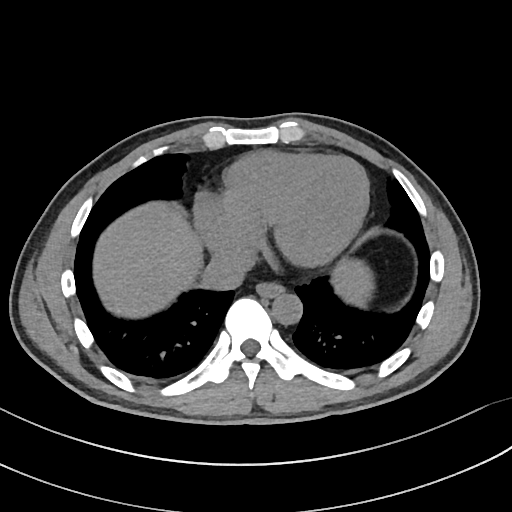 CT, abdomen/pelvis; Axial slice 223/228
{"organs":{"aorta":[272,293,302,324],"inferior vena cava":[201,250,253,290],"esophagus":[256,280,284,297],"liver":[95,202,370,318]}}